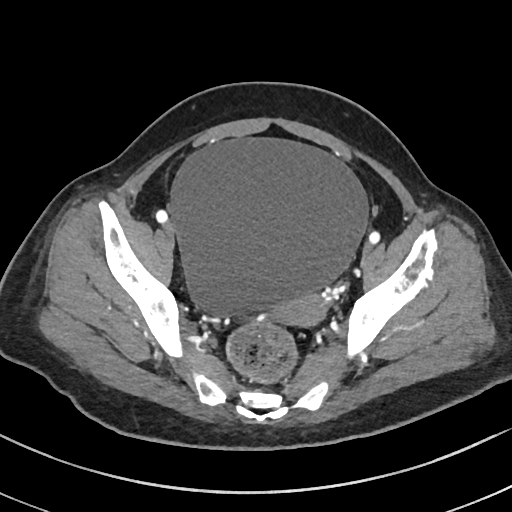 Abdominal CT. axial view. W/L 400/40 HU
Boxes are (x1, y1, x2, y2) in pixels.
prostate/uterus: (279, 296, 326, 325)
bladder: (169, 139, 369, 319)